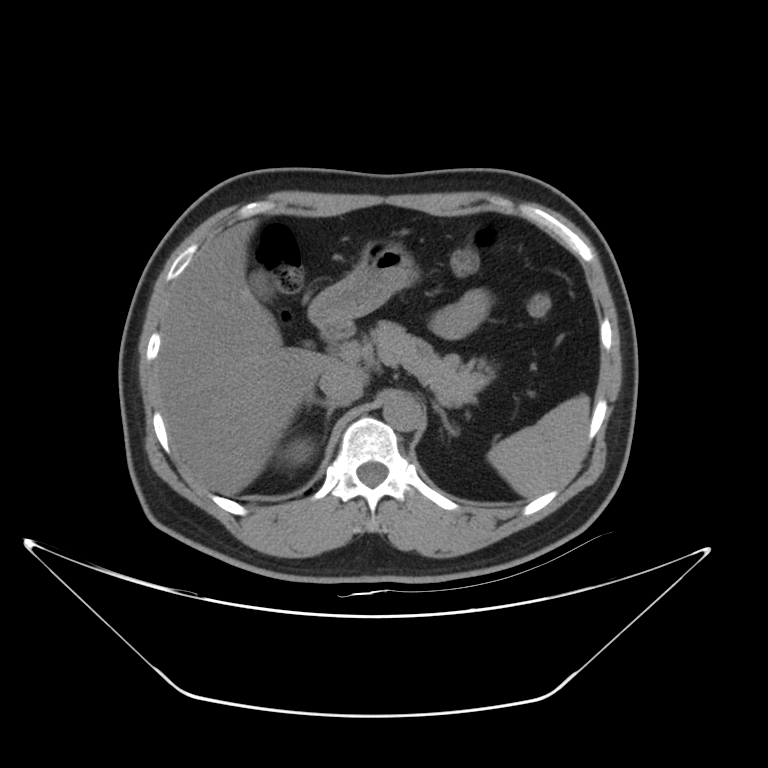

CT, abdomen/pelvis. axial plane, index 80. soft-tissue window. 40-year-old male patient. 15 organs annotated in this scan (counted over the whole 3D scan, not this slice; an organ is boxed only where this slice passes through it)
{"organs":{"spleen":[487,394,589,496],"right kidney":[285,441,310,466],"gall bladder":[249,271,272,301],"liver":[155,222,368,494],"stomach":[309,240,419,322],"aorta":[383,394,422,431],"inferior vena cava":[318,366,364,405],"pancreas":[366,321,491,405],"right adrenal gland":[307,398,338,422],"left adrenal gland":[438,410,458,435],"duodenum":[316,318,355,342]}}